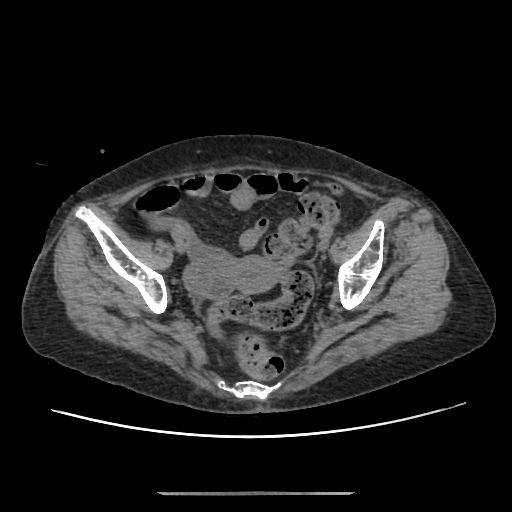 CT, abdomen/pelvis — axial view — soft-tissue window — 512x512 px — acquired on SOMATOM Force — 14 organs annotated in this scan (counted over the whole 3D scan, not this slice; an organ is boxed only where this slice passes through it)
Bounding boxes as [x1, y1, x2, y2] in pixel coordinates.
prostate/uterus: [232, 257, 276, 292]